CT abdomen — axial view — scan has 14 labeled organs (a whole-scan count: organs this slice does not pass through have no box)
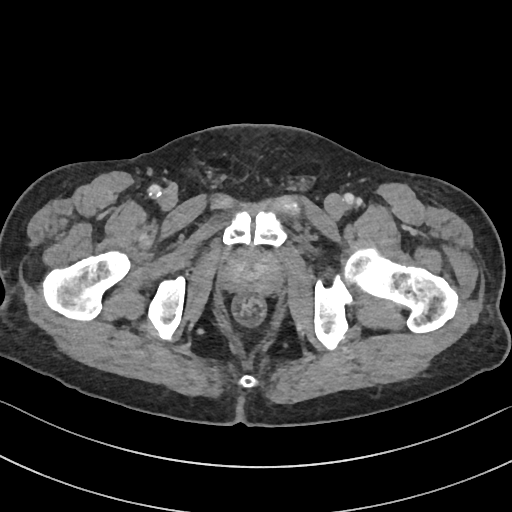
Bounding boxes as [x1, y1, x2, y2] in pixel coordinates.
prostate/uterus: [220, 252, 278, 292]